CT abdomen · axial view · abdomen soft-tissue window · 512x512 px · 58-year-old male patient · scan has 14 labeled organs (a whole-scan count: organs this slice does not pass through have no box)
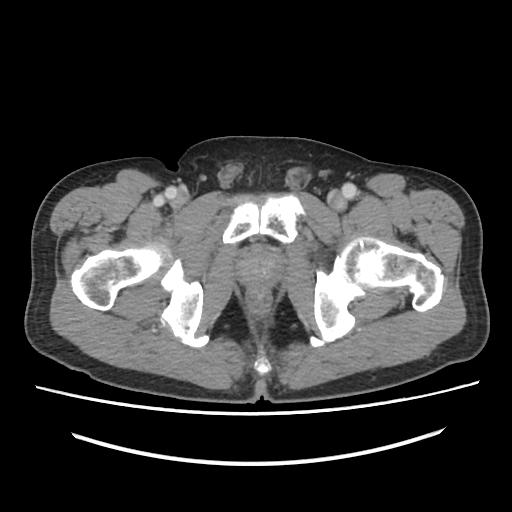

<organs><organ name="prostate/uterus" x1="237" y1="247" x2="282" y2="285"/></organs>